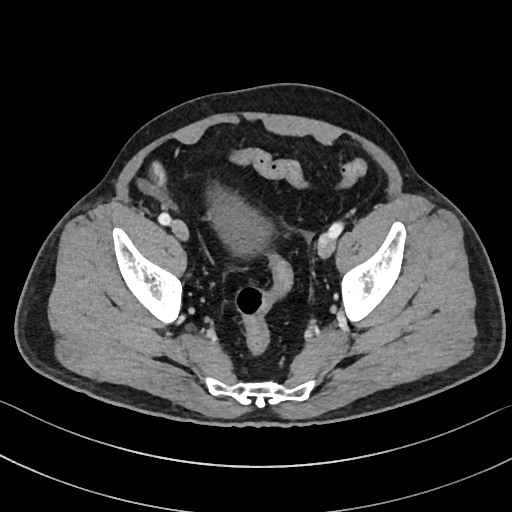 Abdominal CT. axial view. soft-tissue window
Bounding boxes as [x1, y1, x2, y2] in pixel coordinates.
Organ bounding boxes:
- bladder: [210, 189, 270, 252]